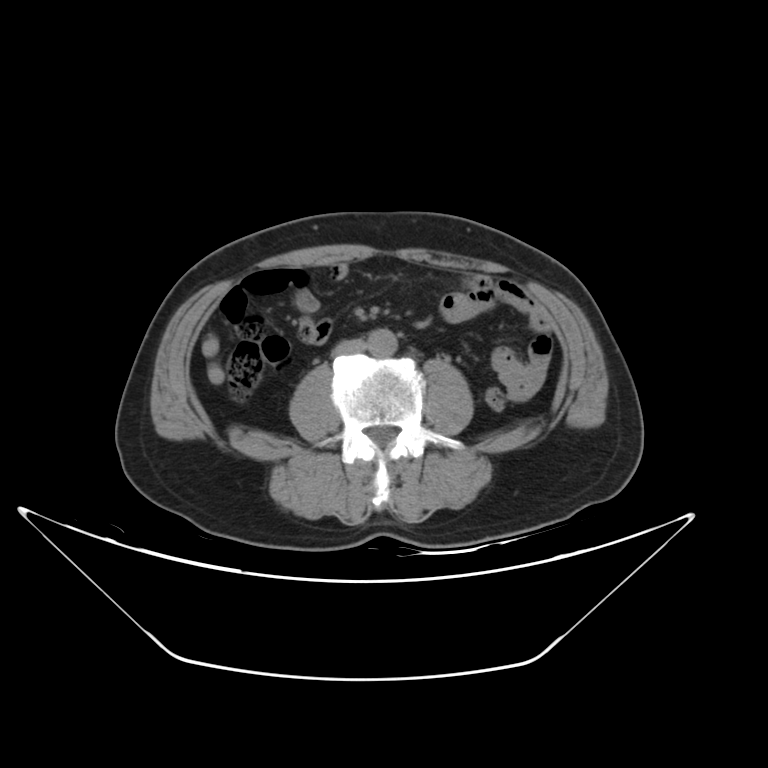
Computed tomography, abdomen; axial view; abdomen soft-tissue window; scan has 15 labeled organs (that count is for the whole scan; organs this slice misses have no box)
<organs><organ name="aorta" x1="367" y1="329" x2="397" y2="358"/><organ name="inferior vena cava" x1="332" y1="339" x2="368" y2="357"/></organs>